CT abdomen — axial view — soft-tissue window (W 400 / L 40) — 15 organs annotated in this scan (that count is for the whole scan; organs this slice misses have no box)
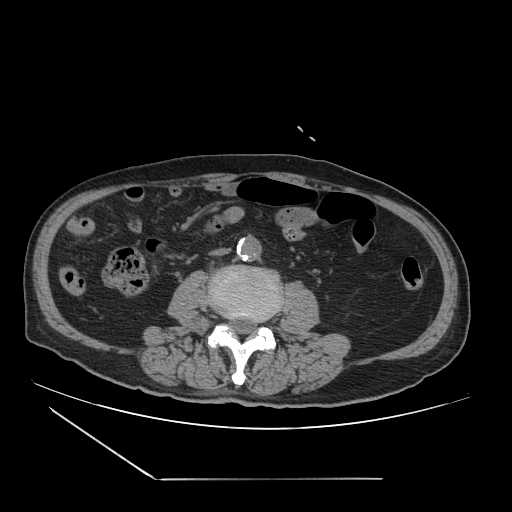

One row per box, in pixels: columns x1 and y1 give the top-left corner, x2 and y2 the bottom-right.
| organ | x1 | y1 | x2 | y2 |
|---|---|---|---|---|
| inferior vena cava | 211 | 247 | 230 | 256 |
| aorta | 236 | 236 | 261 | 260 |